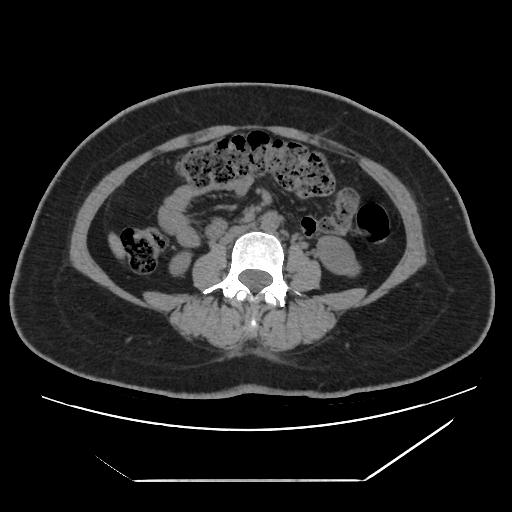 CT, abdomen/pelvis · axial view · W/L 400/40 HU · 512x512 px
Bounding boxes as [x1, y1, x2, y2] in pixel coordinates. The annotated organs in this slice are: right kidney at [169, 252, 191, 275], left kidney at [316, 235, 362, 278], liver at [110, 231, 126, 258], aorta at [260, 211, 280, 231], inferior vena cava at [222, 225, 250, 242].